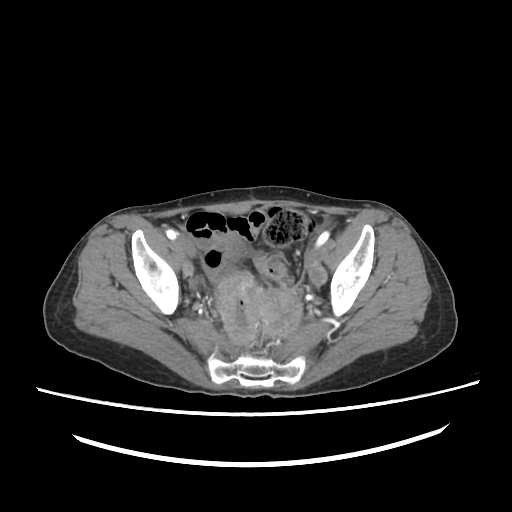 Computed tomography, abdomen. axial view. soft-tissue window. 512x512 px. 58-year-old female patient
Boxes are (x1, y1, x2, y2) in pixels.
Organ bounding boxes:
- bladder: (220, 235, 247, 259)
- prostate/uterus: (255, 286, 302, 337)